Computed tomography, abdomen — axial view — 512x512 px
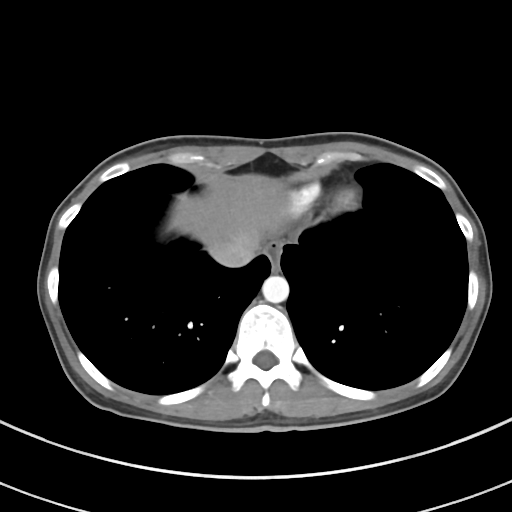 <organs><organ name="esophagus" x1="263" y1="240" x2="283" y2="270"/><organ name="liver" x1="168" y1="174" x2="284" y2="251"/><organ name="aorta" x1="262" y1="276" x2="289" y2="303"/><organ name="inferior vena cava" x1="210" y1="237" x2="256" y2="267"/></organs>